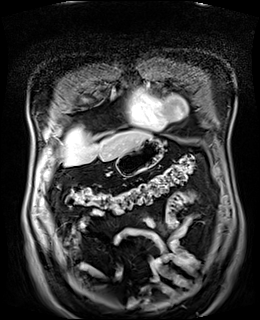

Magnetic resonance imaging, abdomen — coronal view — 1st–99th percentile window — scan has 13 labeled organs (counted over the whole 3D scan, not this slice; an organ is boxed only where this slice passes through it)
Box edges are left/top/right/bottom in pixels. Labeled organs on this slice: stomach at left=116, top=137, right=163, bottom=176, liver at left=64, top=128, right=151, bottom=165.